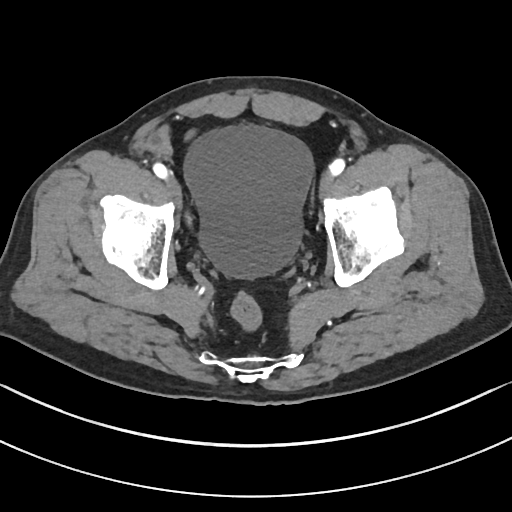

CT, abdomen/pelvis — axial plane, index 35 — W/L 400/40 HU
Each box given as x1,y1,x2,y2. The annotated organs in this slice are: bladder at x1=185, y1=125, x2=313, y2=277.